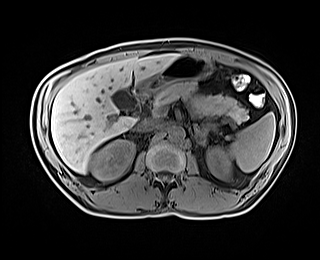

Abdominal MR — axial plane, index 43 — 1st–99th percentile window
Each box given as x1,y1,x2,y2.
Organ bounding boxes:
- duodenum: x1=126, y1=93, x2=149, y2=116
- left adrenal gland: x1=193, y1=124, x2=218, y2=147
- right kidney: x1=91, y1=139, x2=134, y2=180
- stomach: x1=132, y1=55, x2=211, y2=96
- spleen: x1=229, y1=112, x2=275, y2=171
- gall bladder: x1=111, y1=89, x2=131, y2=108
- pancreas: x1=153, y1=82, x2=248, y2=122
- inferior vena cava: x1=139, y1=120, x2=160, y2=131
- left kidney: x1=206, y1=146, x2=231, y2=178
- aorta: x1=169, y1=126, x2=184, y2=141
- liver: x1=51, y1=54, x2=178, y2=173